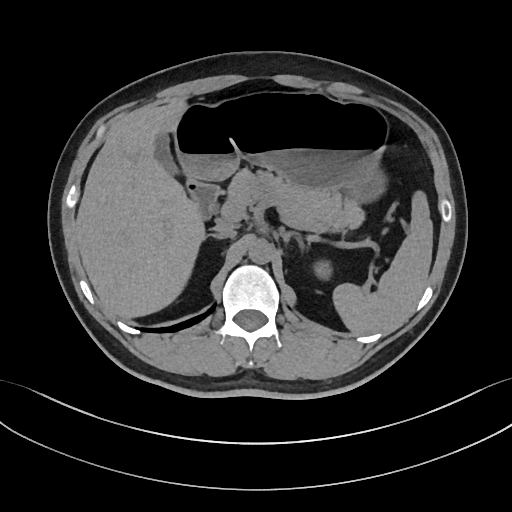
CT abdomen; axial plane, index 170; soft-tissue window (W 400 / L 40)
Boxes: x1 y1 x2 y2 (pixel coords, space-separated). The annotated organs in this slice are: pancreas at 229 170 361 231, inferior vena cava at 212 223 236 237, left adrenal gland at 280 228 302 252, duodenum at 187 179 218 217, gall bladder at 155 136 175 174, right adrenal gland at 205 233 220 239, stomach at 175 91 389 203, aorta at 248 240 272 264, spleen at 332 192 432 334, left kidney at 316 262 329 275, liver at 75 99 206 319.